Abdominal CT · axial plane, index 28 · 43-year-old female patient · scan has 15 labeled organs (a whole-scan count: organs this slice does not pass through have no box)
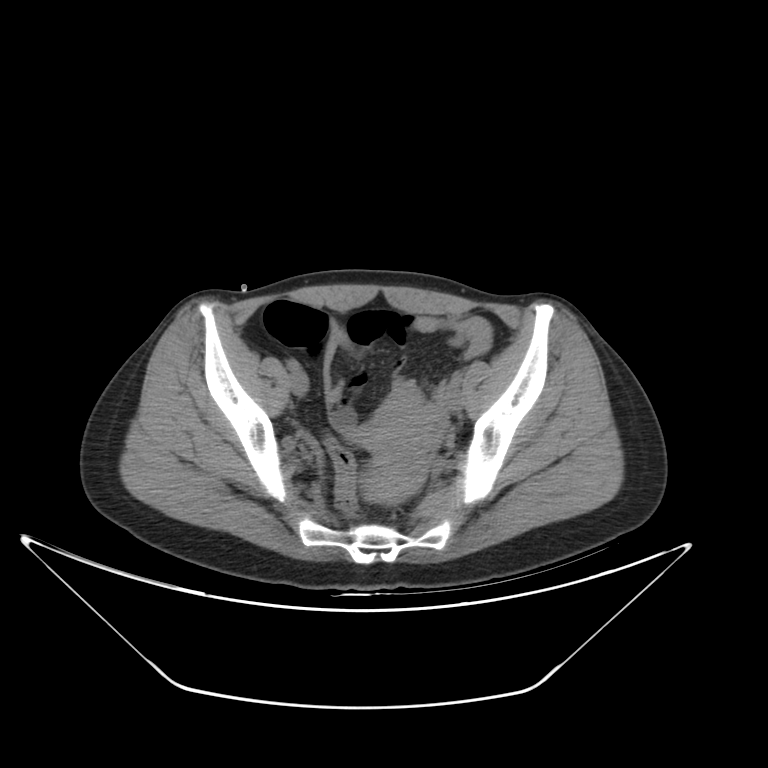

Boxes are (x1, y1, x2, y2) in pixels.
prostate/uterus: (364, 464, 423, 504)